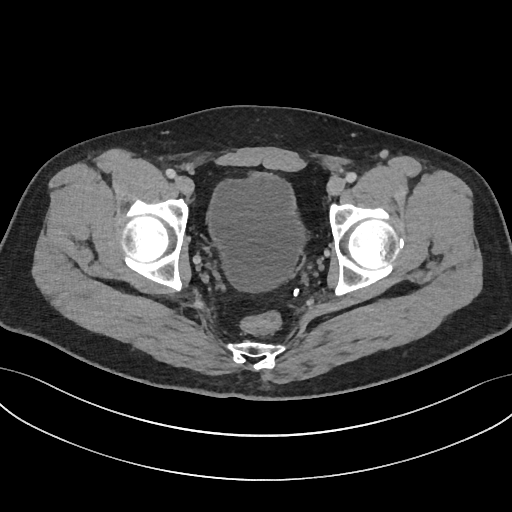

Abdominal CT · axial plane, index 42 · W/L 400/40 HU
Bounding boxes as [x1, y1, x2, y2] in pixel coordinates.
bladder: [208, 173, 303, 294]